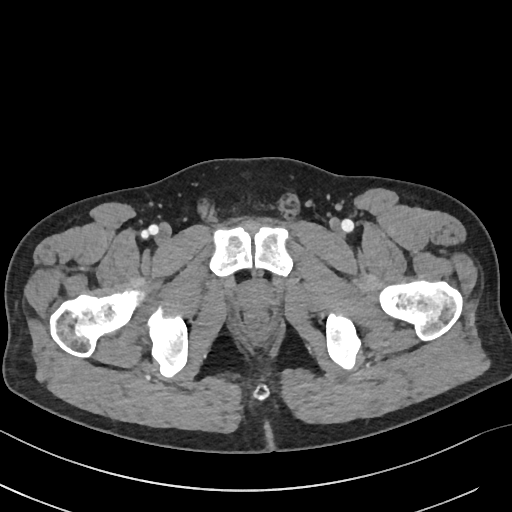

Computed tomography, abdomen. Axial slice 24/307. soft-tissue window (W 400 / L 40). 512x512 px. 15 organs annotated in this scan (a whole-scan count: organs this slice does not pass through have no box)
<organs><organ name="prostate/uterus" x1="238" y1="283" x2="270" y2="312"/></organs>